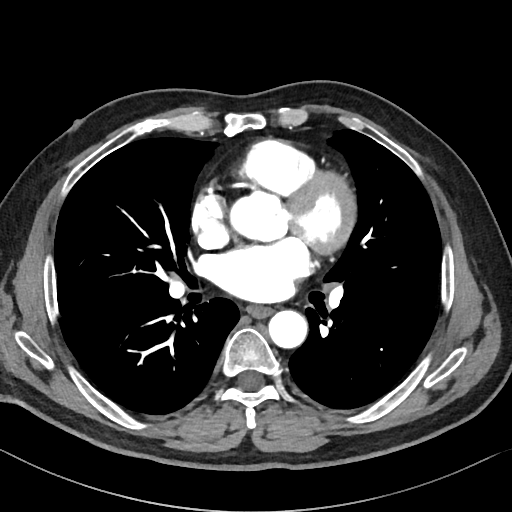 Lower-chest slice from an abdominal CT, just above the liver and spleen · axial plane, index 229 · 512x512 px
No part of the heart or lungs is labeled in this dataset, so neither has a box here.
Organ boxes in pixel coordinates; each row gives the top-left (x1, y1) and bottom-right (x2, y2) corners.
| organ | x1 | y1 | x2 | y2 |
|---|---|---|---|---|
| esophagus | 246 | 306 | 272 | 318 |
| aorta | 268 | 310 | 307 | 348 |